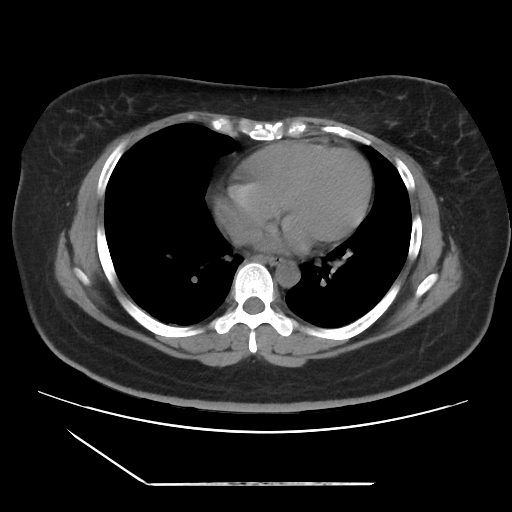 Abdominal CT; this slice is in the lower chest, just above the liver · axial view · 512x512 px
The heart and lungs are never labeled in this dataset, so they have no box on this slice.
Bounding boxes as [x1, y1, x2, y2] in pixel coordinates.
Organ bounding boxes:
- esophagus: [263, 257, 282, 264]
- aorta: [275, 261, 299, 287]
- inferior vena cava: [229, 224, 261, 245]